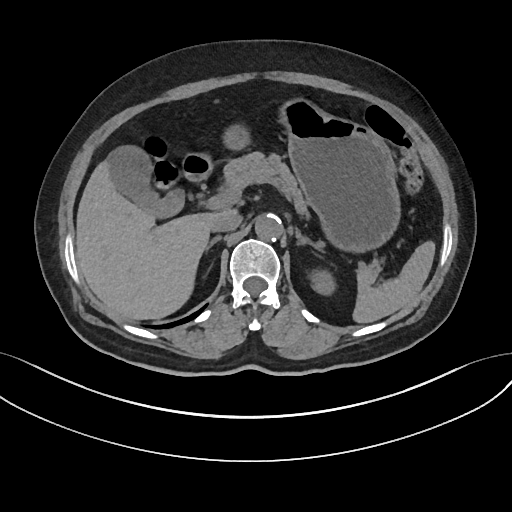
CT abdomen. Axial slice 152/207. scan has 15 labeled organs (that count is for the whole scan; organs this slice misses have no box)
Bounding boxes in pixels, one row per box: x1, y1 is the top-left corner and x2, y2 the bottom-right.
| organ | x1 | y1 | x2 | y2 |
|---|---|---|---|---|
| spleen | 353 | 240 | 435 | 322 |
| left kidney | 311 | 272 | 333 | 296 |
| gall bladder | 107 | 146 | 182 | 218 |
| liver | 76 | 162 | 217 | 319 |
| stomach | 221 | 97 | 398 | 251 |
| aorta | 255 | 213 | 282 | 239 |
| inferior vena cava | 211 | 212 | 241 | 231 |
| pancreas | 225 | 152 | 381 | 283 |
| right adrenal gland | 207 | 235 | 220 | 248 |
| left adrenal gland | 294 | 226 | 321 | 247 |
| duodenum | 181 | 151 | 211 | 183 |